Abdominal CT. axial plane, index 152. scan has 15 labeled organs (counted over the whole 3D scan, not this slice; an organ is boxed only where this slice passes through it)
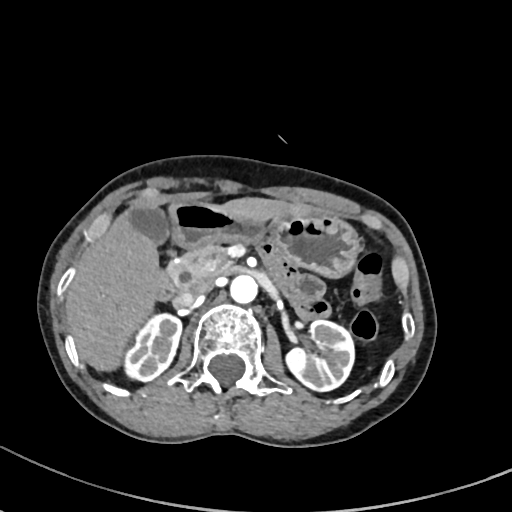 Boxes: x1 y1 x2 y2 (pixel coords, space-separated).
aorta: 230 275 258 304
liver: 64 196 316 370
pancreas: 167 243 226 285
left kidney: 284 320 353 392
inferior vena cava: 172 277 212 308
stomach: 168 200 362 279
right kidney: 124 314 181 381
duodenum: 157 248 176 300
gall bladder: 127 202 169 243